Computed tomography, abdomen. axial view. W/L 400/40 HU. 512x512 px. scan has 15 labeled organs (counted over the whole 3D scan, not this slice; an organ is boxed only where this slice passes through it)
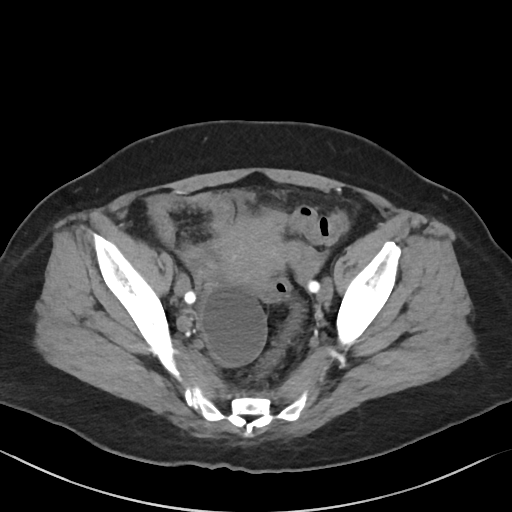 <organs><organ name="prostate/uterus" x1="216" y1="216" x2="282" y2="285"/></organs>